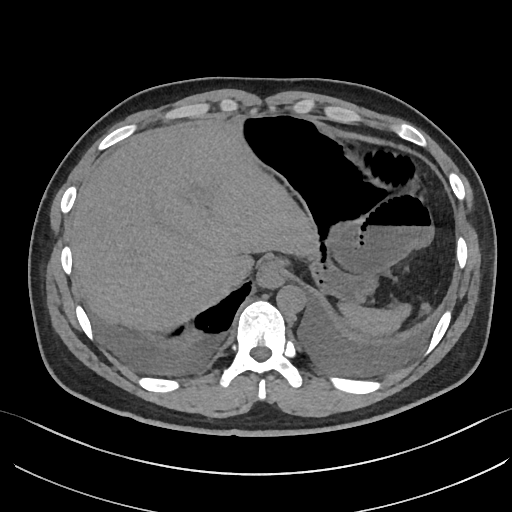 Abdominal CT. Axial slice 202/234
Boxes: x1:y1:x2:y2 in pixels. 6 labeled organs on this slice — aorta at 276:285:304:314; spleen at 338:302:413:334; stomach at 236:113:389:303; liver at 69:121:314:333; inferior vena cava at 218:264:243:287; esophagus at 259:258:287:286.